Abdominal CT. axial plane, index 192. 15 organs annotated in this scan (a whole-scan count: organs this slice does not pass through have no box)
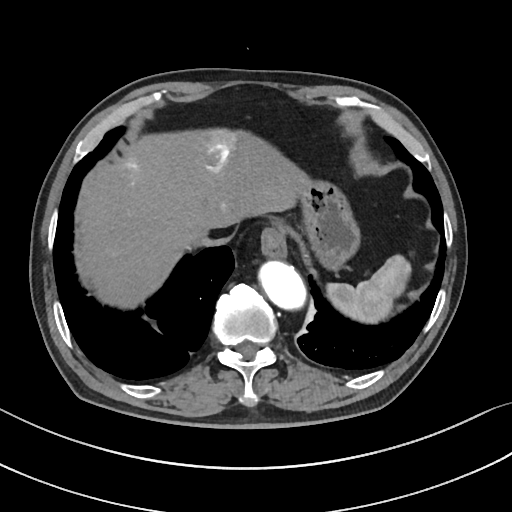 <organs><organ name="spleen" x1="327" y1="254" x2="409" y2="323"/><organ name="esophagus" x1="260" y1="225" x2="285" y2="254"/><organ name="liver" x1="72" y1="129" x2="308" y2="305"/><organ name="stomach" x1="276" y1="180" x2="358" y2="268"/><organ name="aorta" x1="256" y1="259" x2="303" y2="306"/><organ name="inferior vena cava" x1="187" y1="231" x2="213" y2="249"/></organs>